Abdominal CT — Axial slice 13/100 — W/L 400/40 HU — 512x512 px — 71-year-old female patient — acquired on Aquilion ONE — 15 organs annotated in this scan (that count is for the whole scan; organs this slice misses have no box)
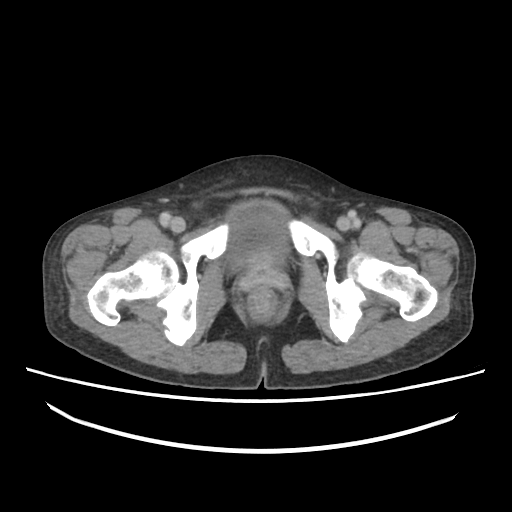
Boxes: x1:y1:x2:y2 in pixels.
Organ bounding boxes:
- bladder: 231:205:287:258